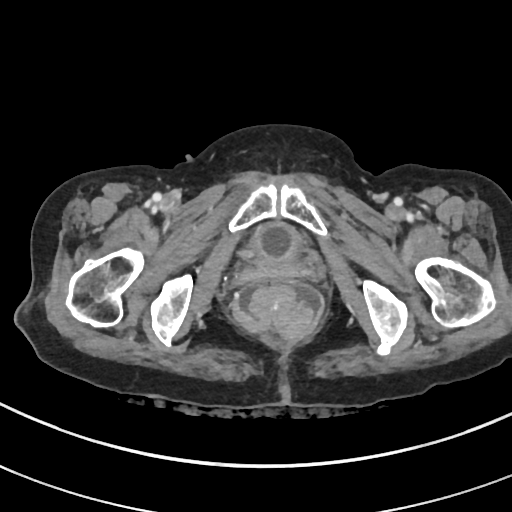
CT, abdomen/pelvis · axial view · 512x512 px · SOMATOM Force scanner · scan has 15 labeled organs (a whole-scan count: organs this slice does not pass through have no box)
Organ boxes in pixel coordinates; each row gives the top-left (x1, y1) and bottom-right (x2, y2) corners.
| organ | x1 | y1 | x2 | y2 |
|---|---|---|---|---|
| bladder | 248 | 221 | 301 | 259 |